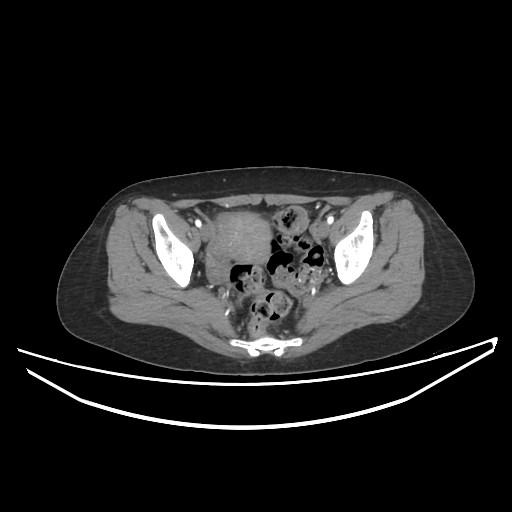 Abdominal CT; Axial slice 21/126
Each box given as x1,y1,x2,y2. Labeled organs on this slice: prostate/uterus at x1=217, y1=212, x2=271, y2=263.